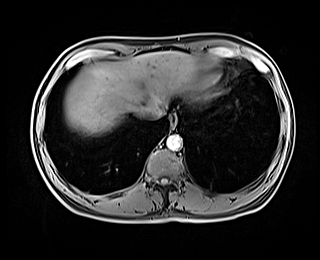
MRI, abdomen; Axial slice 66/72; percentile-normalized; 320x260 px; 13 organs annotated in this scan (a whole-scan count: organs this slice does not pass through have no box)
Boxes: x1 y1 x2 y2 (pixel coords, space-separated). The annotated organs in this slice are: esophagus at 170 114 176 127, liver at 64 51 203 136, aorta at 166 134 182 150, inferior vena cava at 141 105 164 119.